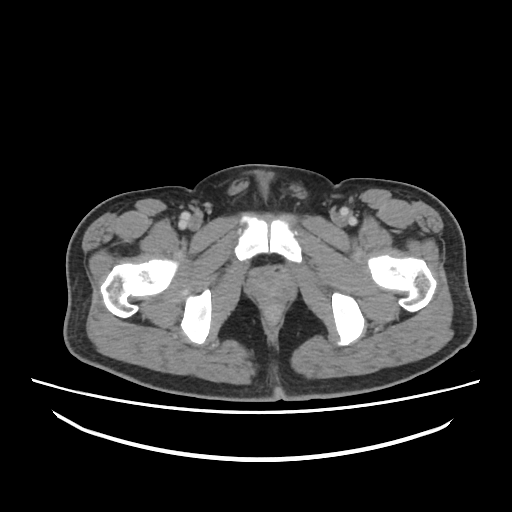 Abdominal CT. axial plane, index 12. W/L 400/40 HU. 512x512 px. 31-year-old male patient
Boxes: x1 y1 x2 y2 (pixel coords, space-separated).
Organ bounding boxes:
- prostate/uterus: 251 271 291 305